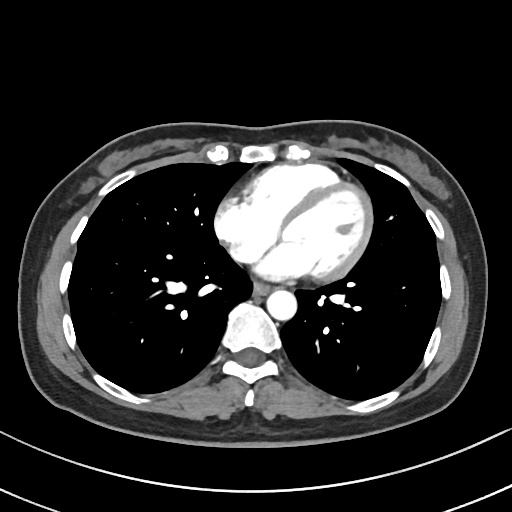

CT of the abdomen reaching into the lower chest, slice just above the liver and spleen — Axial slice 235/242
The heart and lungs are never labeled in this dataset, so they have no box on this slice.
{"organs":{"esophagus":[253,281,272,294],"aorta":[266,289,296,320]}}